Magnetic resonance imaging, abdomen; Axial slice 4/72; scan has 13 labeled organs (a whole-scan count: organs this slice does not pass through have no box)
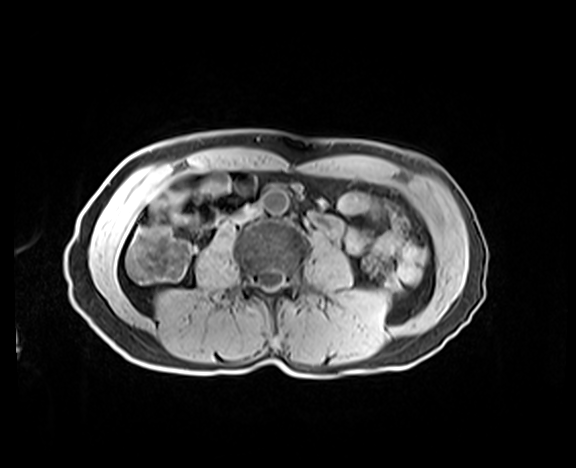 <organs><organ name="inferior vena cava" x1="236" y1="207" x2="259" y2="222"/><organ name="aorta" x1="263" y1="189" x2="288" y2="214"/></organs>